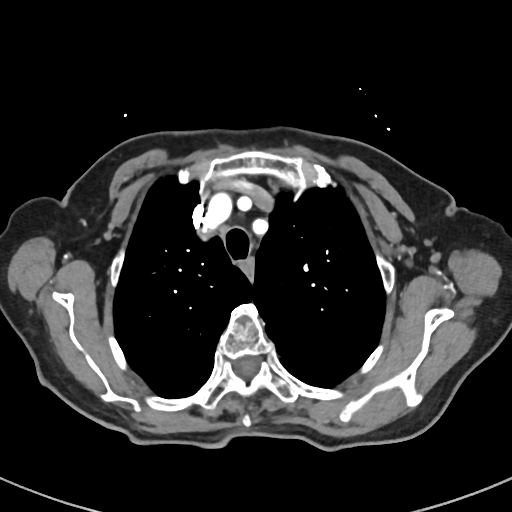 Chest-level CT slice, above the liver and spleen. axial view. scan has 15 labeled organs (counted over the whole 3D scan, not this slice; an organ is boxed only where this slice passes through it)
At this level of the chest this dataset labels only the esophagus and the aorta, and each is boxed only where it is labeled; the heart and lungs are never labeled.
Box edges are left/top/right/bottom in pixels.
Organ bounding boxes:
- esophagus: left=240, top=257, right=253, bottom=280